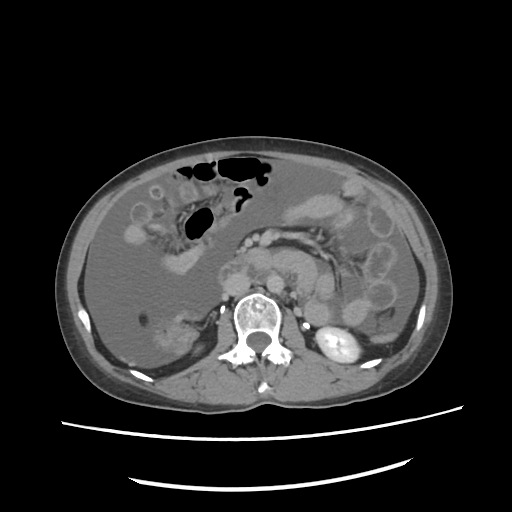 CT abdomen — axial view — W/L 400/40 HU
Bounding boxes in pixels, one row per box: x1, y1 is the top-left corner and x2, y2 the bottom-right.
| organ | x1 | y1 | x2 | y2 |
|---|---|---|---|---|
| aorta | 266 | 273 | 284 | 293 |
| inferior vena cava | 224 | 271 | 250 | 295 |
| left kidney | 316 | 328 | 359 | 362 |
| duodenum | 219 | 257 | 249 | 282 |